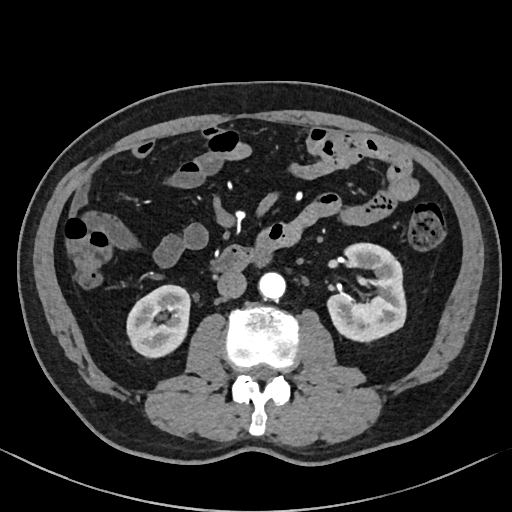
CT abdomen; axial view; abdomen soft-tissue window
Coordinates as <box>x1,y1,x2,y2</box> in pixels.
Organ bounding boxes:
- right kidney: <box>126,285,190,357</box>
- left kidney: <box>327,243,405,341</box>
- aorta: <box>259,272,285,300</box>
- inferior vena cava: <box>217,270,246,298</box>
- duodenum: <box>212,245,271,271</box>